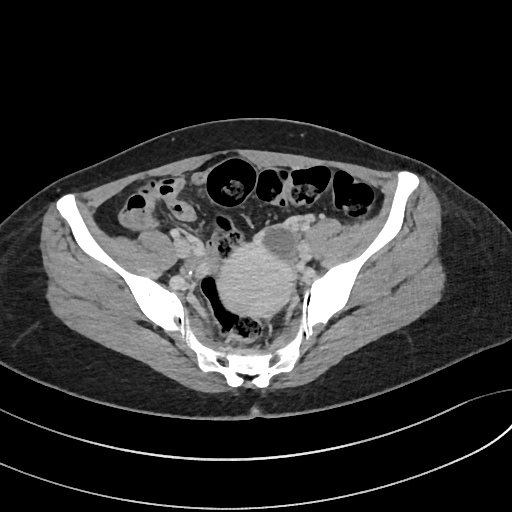

Abdominal CT — axial view — soft-tissue window — scan has 15 labeled organs (that count is for the whole scan; organs this slice misses have no box)
Coordinates as <box>x1,y1,x2,y2</box> in pixels.
prostate/uterus: <box>216,241,294,317</box>